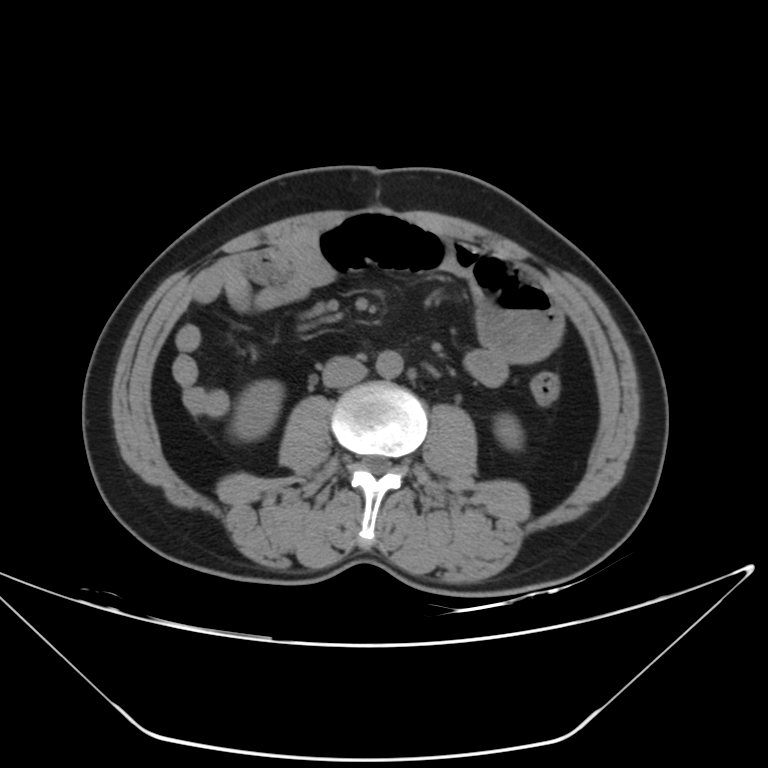
Abdominal CT · Axial slice 53/99 · W/L 400/40 HU · 50-year-old male patient
Bounding boxes as [x1, y1, x2, y2] in pixel coordinates.
Organ bounding boxes:
- right kidney: [231, 381, 282, 440]
- left kidney: [495, 414, 523, 449]
- aorta: [376, 350, 403, 378]
- inferior vena cava: [323, 356, 366, 387]